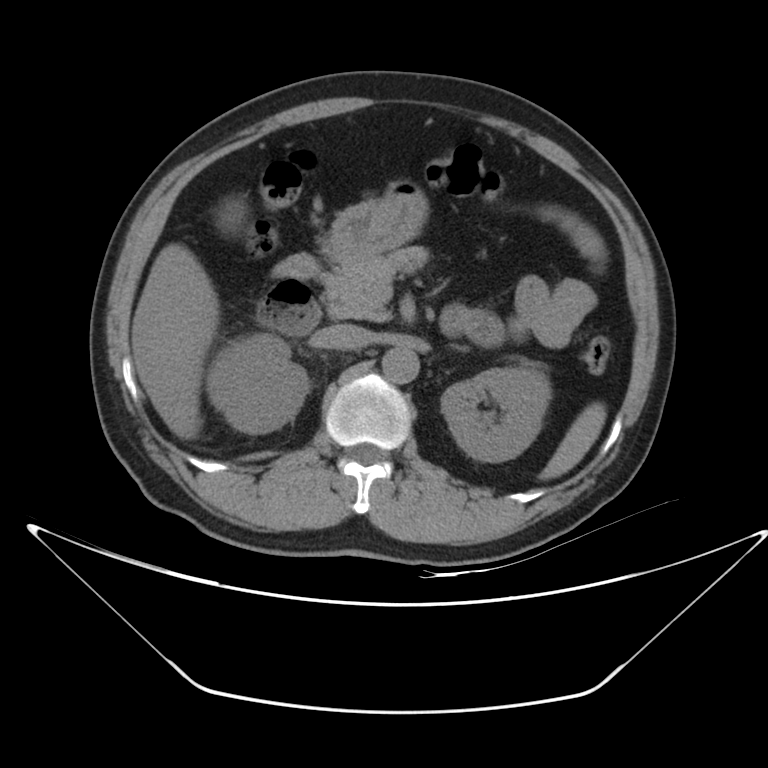 Computed tomography, abdomen. Axial slice 67/87. 768x768 px. acquired on Brilliance16. 15 organs annotated in this scan (that count is for the whole scan; organs this slice misses have no box)
Boxes are (x1, y1, x2, y2) in pixels. The annotated organs in this slice are: spleen at (538, 402, 606, 480), inferior vena cava at (316, 324, 370, 350), duodenum at (260, 253, 320, 336), pancreas at (321, 248, 426, 319), gall bladder at (217, 198, 247, 231), left kidney at (441, 366, 550, 462), aorta at (381, 348, 419, 383), right kidney at (206, 333, 308, 433), liver at (131, 243, 219, 439), stomach at (328, 179, 428, 267), left adrenal gland at (455, 346, 461, 348).